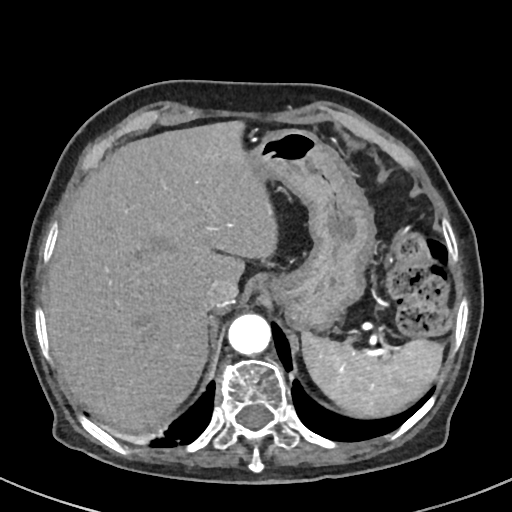

CT, abdomen/pelvis; axial view; soft-tissue window; SOMATOM Force scanner; scan has 15 labeled organs (that count is for the whole scan; organs this slice misses have no box)
{"organs":{"spleen":[301,331,443,419],"inferior vena cava":[203,278,238,310],"stomach":[247,129,375,331],"aorta":[229,313,271,355],"liver":[43,122,275,434]}}